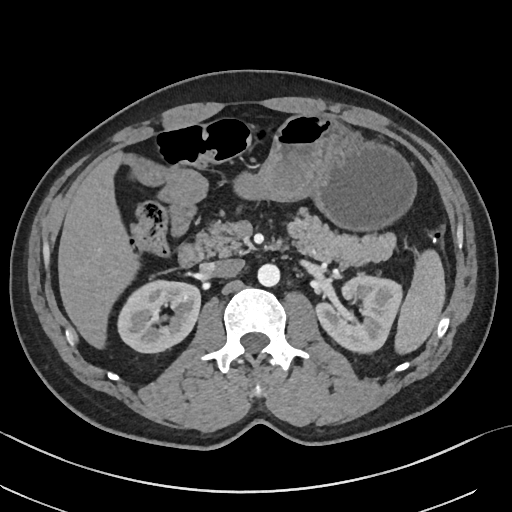
Computed tomography, abdomen — Axial slice 150/307 — SOMATOM Force scanner
{"organs":{"right kidney":[117,279,200,352],"duodenum":[178,244,210,267],"pancreas":[198,207,395,265],"inferior vena cava":[210,258,244,278],"left kidney":[316,275,402,352],"liver":[58,153,137,346],"aorta":[257,263,279,286],"spleen":[396,252,444,351],"stomach":[235,116,414,230]}}